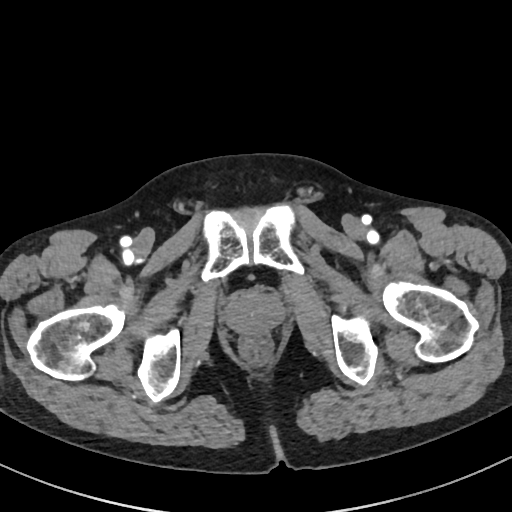
CT abdomen — Axial slice 23/303 — soft-tissue window — 512x512 px
Box edges are left/top/right/bottom in pixels.
prostate/uterus: left=228, top=291, right=282, bottom=333